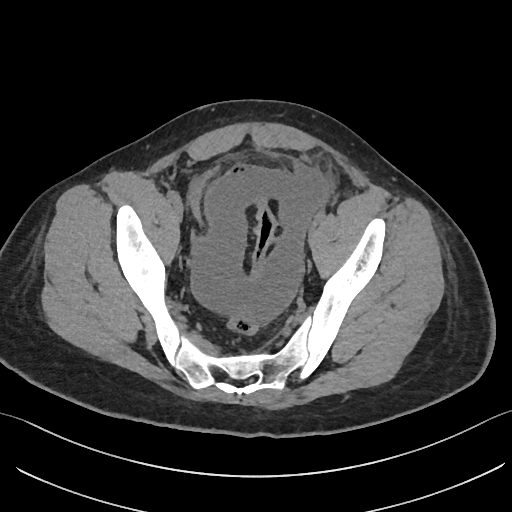 CT abdomen · axial view · 512x512 px
<organs><organ name="bladder" x1="190" y1="165" x2="218" y2="219"/></organs>